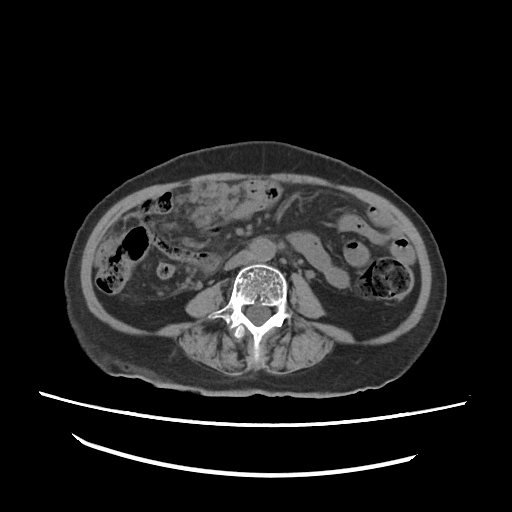
CT, abdomen/pelvis. Axial slice 49/100. soft-tissue window (W 400 / L 40). acquired on Aquilion ONE
{"organs":{"aorta":[250,239,275,260],"inferior vena cava":[223,252,249,271]}}